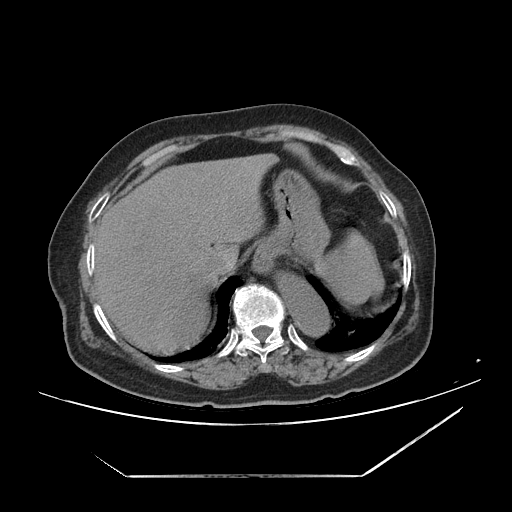
Abdominal CT · Axial slice 140/163
Boxes are (x1, y1, x2, y2) in pixels.
Organ bounding boxes:
- stomach: (256, 172, 327, 261)
- liver: (94, 154, 277, 352)
- inferior vena cava: (205, 246, 235, 275)
- esophagus: (253, 256, 275, 276)
- aorta: (282, 277, 330, 337)
- spleen: (314, 233, 381, 304)